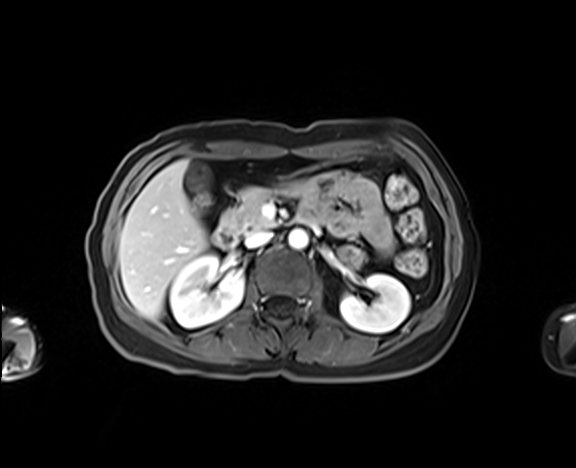
Magnetic resonance imaging, abdomen · Axial slice 31/72 · scan has 13 labeled organs (that count is for the whole scan; organs this slice misses have no box)
Coordinates as <box>x1,y1,x2,y2</box> in pixels.
liver: <box>119,160,208,319</box>
inferior vena cava: <box>245,231,272,248</box>
left kidney: <box>340,273,409,333</box>
duodenum: <box>213,227,236,248</box>
right kidney: <box>170,255,244,327</box>
pancreas: <box>221,188,274,235</box>
gall bladder: <box>184,162,210,191</box>
aorta: <box>288,229,307,249</box>